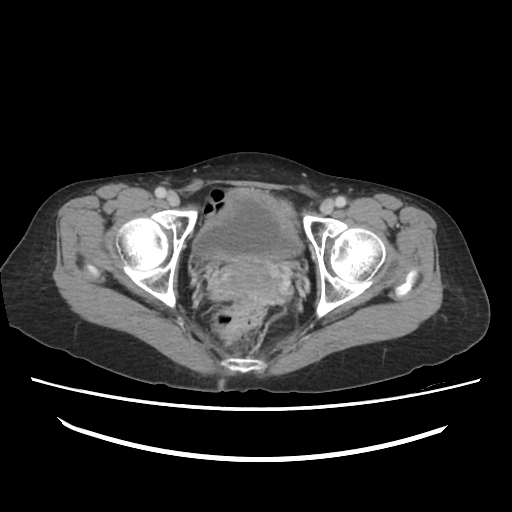 Computed tomography, abdomen. axial view. 54-year-old female patient
Boxes: x1:y1:x2:y2 in pixels.
Organ bounding boxes:
- prostate/uterus: 225:263:272:298
- bladder: 194:188:301:258